CT of the abdomen extending into the chest, slice through the chest — axial view
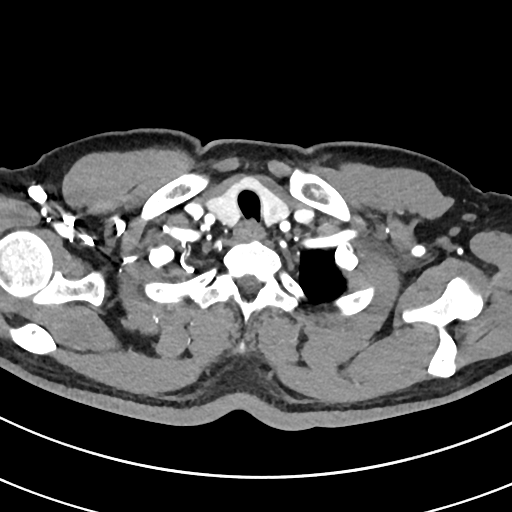 At this level of the chest this dataset labels only the esophagus and the aorta, and each is boxed only where it is labeled; the heart and lungs are never labeled.
<organs><organ name="esophagus" x1="233" y1="220" x2="263" y2="239"/></organs>